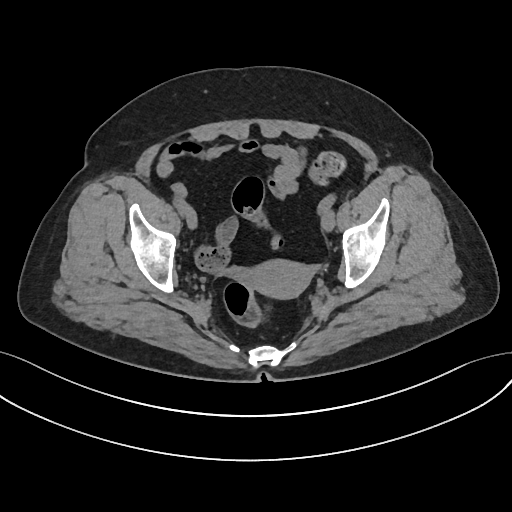
CT abdomen · axial view · acquired on SOMATOM Force
Bounding boxes in pixels, one row per box: x1, y1 is the top-left corner and x2, y2 the bottom-right.
| organ | x1 | y1 | x2 | y2 |
|---|---|---|---|---|
| prostate/uterus | 247 | 259 | 311 | 298 |